Abdominal MR; coronal plane, index 58
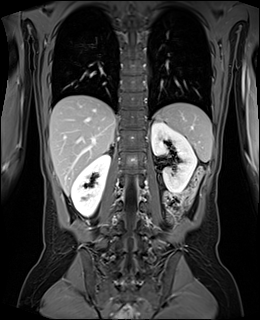

Boxes: x1 y1 x2 y2 (pixel coords, space-separated).
spleen: 160 102 212 161
right kidney: 71 154 110 216
left kidney: 151 122 196 193
liver: 49 95 115 195
stomach: 155 111 166 121
right adrenal gland: 111 142 114 145